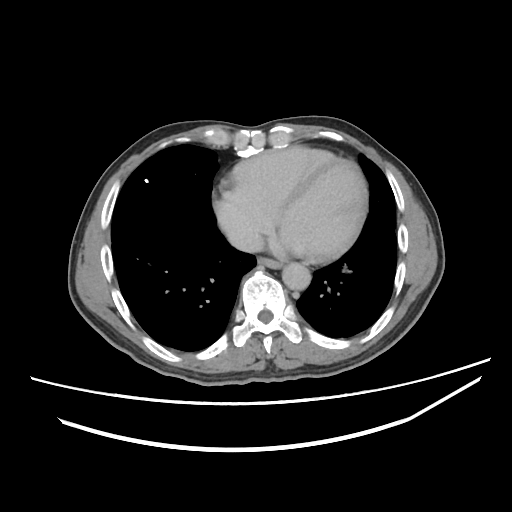 Abdominal CT; this slice is in the lower chest, just above the liver. axial view. soft-tissue window (W 400 / L 40). 512x512 px
Of the structures in the chest, this dataset labels only the esophagus, the aorta and the inferior vena cava; the heart and lungs have no label.
Each box given as x1,y1,x2,y2.
esophagus: x1=258, y1=257, x2=282, y2=268
aorta: x1=282, y1=262, x2=311, y2=290
inferior vena cava: x1=227, y1=229, x2=263, y2=251